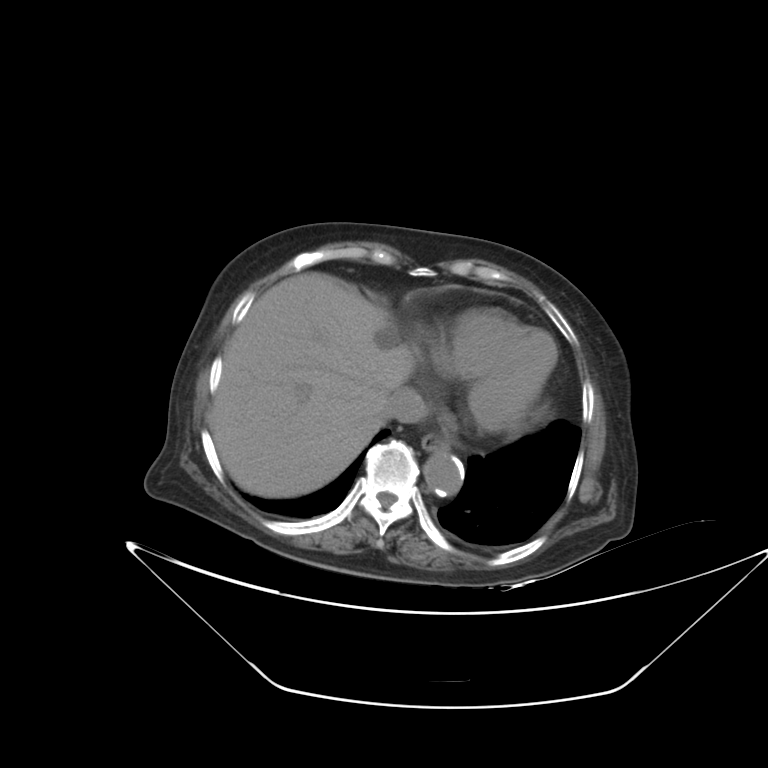
Abdominal CT. axial view. 768x768 px. scan has 15 labeled organs (a whole-scan count: organs this slice does not pass through have no box)
Boxes: x1 y1 x2 y2 (pixel coords, space-separated).
Organ bounding boxes:
- esophagus: 421 432 449 451
- liver: 211 272 415 497
- aorta: 423 451 464 497
- inferior vena cava: 380 387 427 423